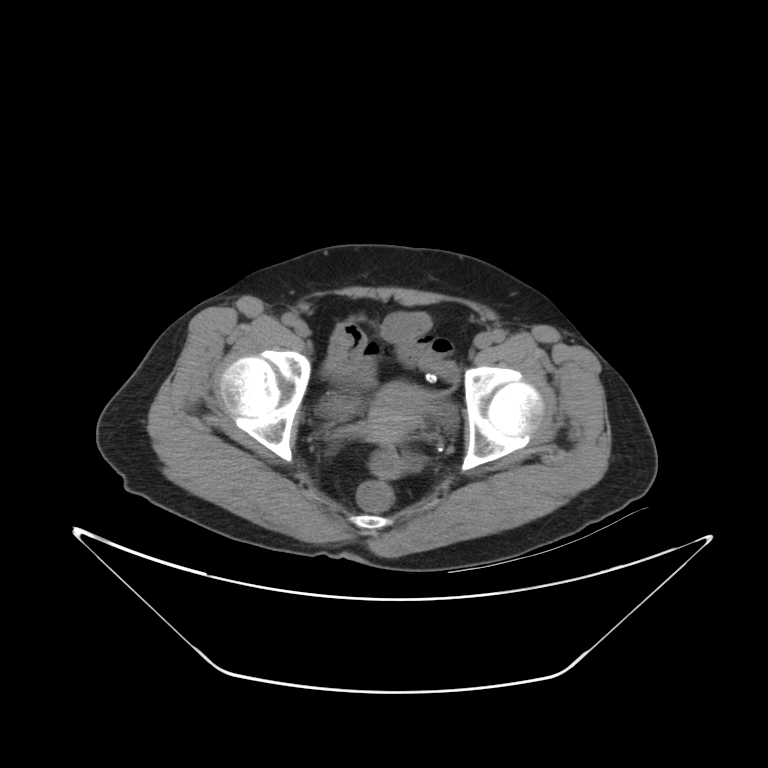

Computed tomography, abdomen. Axial slice 15/91. 768x768 px
<organs><organ name="bladder" x1="316" y1="392" x2="460" y2="429"/><organ name="prostate/uterus" x1="370" y1="382" x2="421" y2="443"/></organs>